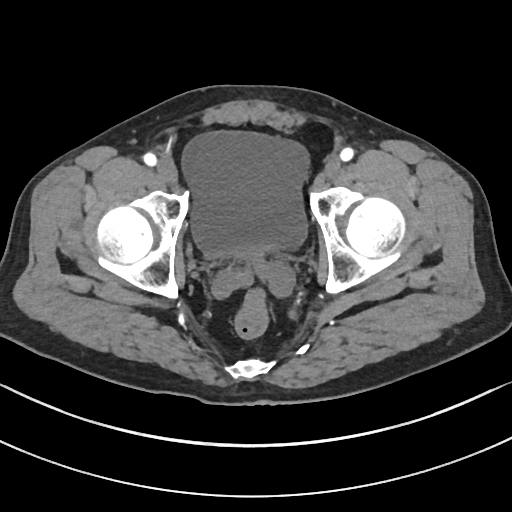
Abdominal CT. axial view. W/L 400/40 HU. 512x512 px
One row per box, in pixels: columns x1 and y1 give the top-left corner, x2 and y2 the bottom-right.
| organ | x1 | y1 | x2 | y2 |
|---|---|---|---|---|
| bladder | 182 | 131 | 309 | 257 |